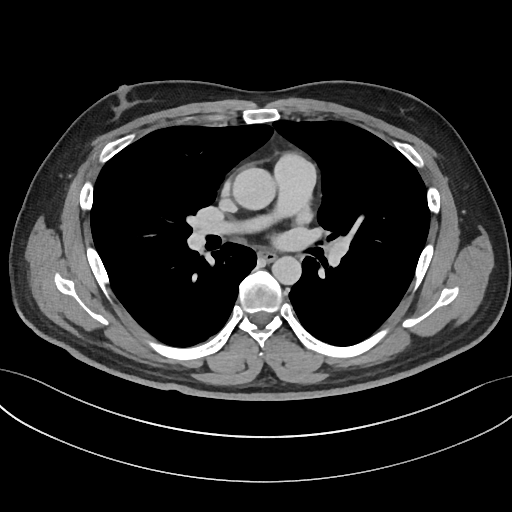

Abdominal CT reaching into the chest; this slice is in the chest — axial view — soft-tissue window, W/L 400/40 — acquired on SOMATOM Force
On a slice this high in the chest, this dataset labels only the esophagus and the aorta, and each is boxed only where it is labeled; the heart, lungs and other chest structures are not labeled.
{"organs":{"esophagus":[258,251,275,261],"aorta":[[233,168,276,209],[272,256,301,284]]}}